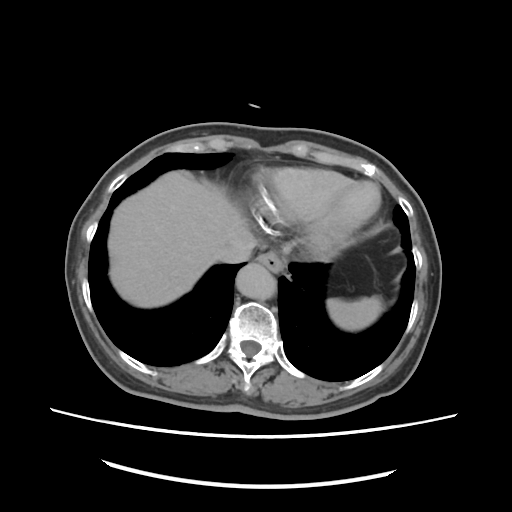
Abdominal CT; axial view; abdomen soft-tissue window; 512x512 px; 76-year-old female patient; Aquilion ONE scanner; scan has 15 labeled organs (that count is for the whole scan; organs this slice misses have no box)
Boxes: x1:y1:x2:y2 in pixels.
Organ bounding boxes:
- spleen: 328:296:384:329
- esophagus: 256:252:282:274
- liver: 109:171:254:308
- aorta: 237:265:276:299
- inferior vena cava: 217:242:254:262